CT abdomen; axial plane, index 149; soft-tissue window (W 400 / L 40); SOMATOM Force scanner; 14 organs annotated in this scan (counted over the whole 3D scan, not this slice; an organ is boxed only where this slice passes through it)
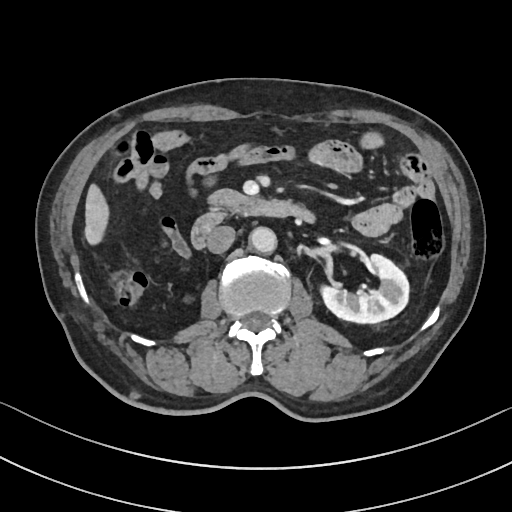

Bounding boxes as [x1, y1, x2, y2] in pixel coordinates.
left kidney: [321, 254, 408, 323]
liver: [84, 184, 109, 244]
aorta: [249, 227, 276, 253]
inferior vena cava: [206, 226, 235, 253]
pancreas: [209, 189, 251, 210]
duodenum: [191, 198, 313, 249]